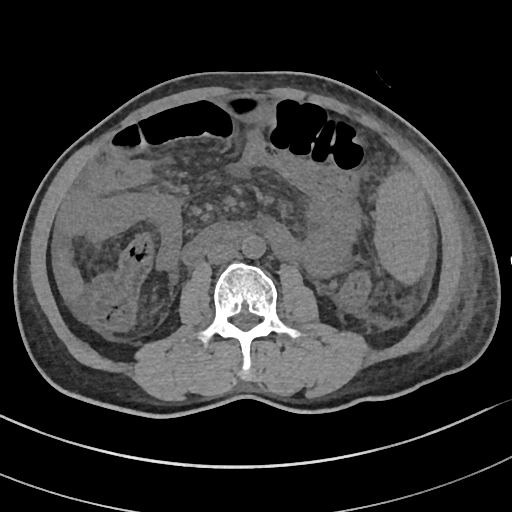
CT abdomen; axial plane, index 108; soft-tissue window (W 400 / L 40)
Organ boxes in pixel coordinates; each row gives the top-left (x1, y1) and bottom-right (x2, y2) corners.
| organ | x1 | y1 | x2 | y2 |
|---|---|---|---|---|
| duodenum | 183 | 222 | 252 | 265 |
| aorta | 241 | 235 | 265 | 258 |
| inferior vena cava | 206 | 243 | 237 | 264 |
| spleen | 374 | 172 | 429 | 284 |